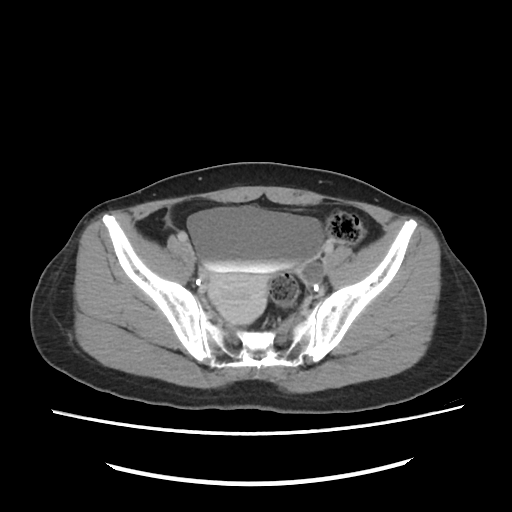 CT, abdomen/pelvis. axial view. soft-tissue window (W 400 / L 40). 50-year-old female patient. 15 organs annotated in this scan (a whole-scan count: organs this slice does not pass through have no box)
<organs><organ name="bladder" x1="188" y1="207" x2="324" y2="271"/><organ name="prostate/uterus" x1="208" y1="257" x2="324" y2="324"/></organs>